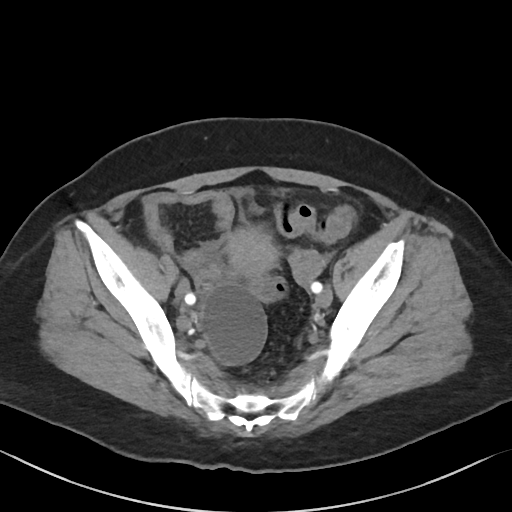 Computed tomography, abdomen — Axial slice 19/88 — scan has 15 labeled organs (that count is for the whole scan; organs this slice misses have no box)
{"organs":{"prostate/uterus":[224,229,278,277]}}